Abdominal CT; Axial slice 196/237; soft-tissue window (W 400 / L 40)
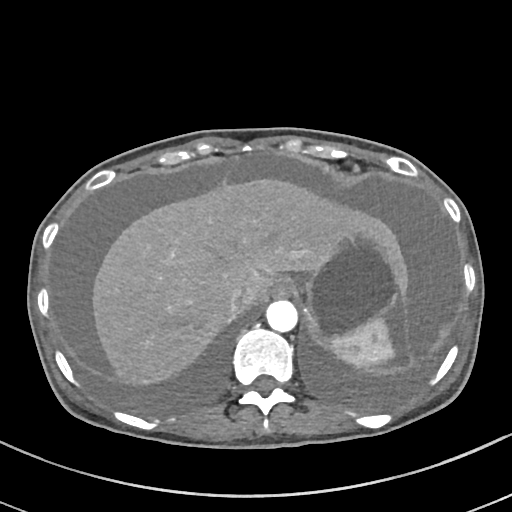 {"organs":{"spleen":[330,317,394,369],"esophagus":[272,279,296,297],"liver":[92,178,407,385],"stomach":[304,232,400,342],"aorta":[266,300,297,332],"inferior vena cava":[227,286,245,314]}}